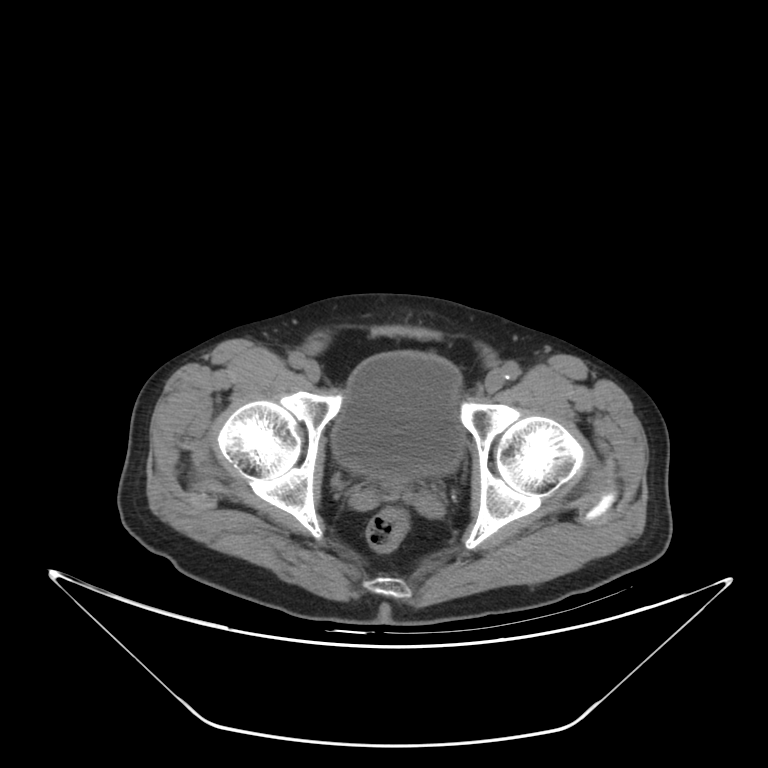

CT abdomen · Axial slice 19/83 · abdomen soft-tissue window · 59-year-old male patient
{"organs":{"bladder":[331,352,463,479]}}